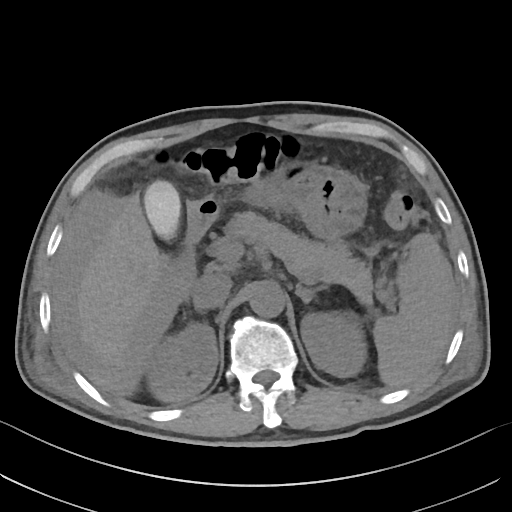 CT, abdomen/pelvis; Axial slice 69/100; W/L 400/40 HU; acquired on SOMATOM Force
Bounding boxes as [x1, y1, x2, y2] in pixel coordinates. 11 labeled organs on this slice — gall bladder at [144, 181, 180, 238]; right kidney at [146, 322, 218, 401]; left adrenal gland at [295, 284, 326, 303]; inferior vena cava at [192, 273, 232, 309]; liver at [77, 193, 167, 374]; aorta at [249, 283, 285, 317]; pancreas at [213, 211, 373, 304]; duodenum at [170, 221, 210, 291]; left kidney at [300, 312, 366, 377]; spleen at [373, 233, 454, 387]; stomach at [188, 163, 366, 241].